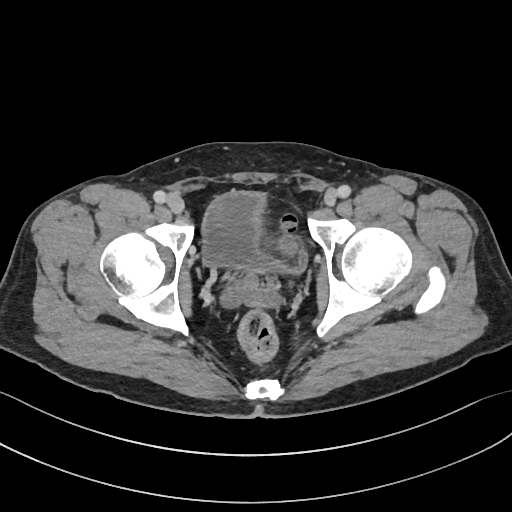 Abdominal CT; Axial slice 38/230
Boxes: x1 y1 x2 y2 (pixel coords, space-separated).
bladder: 201 191 309 274